CT abdomen. axial view. 15 organs annotated in this scan (a whole-scan count: organs this slice does not pass through have no box)
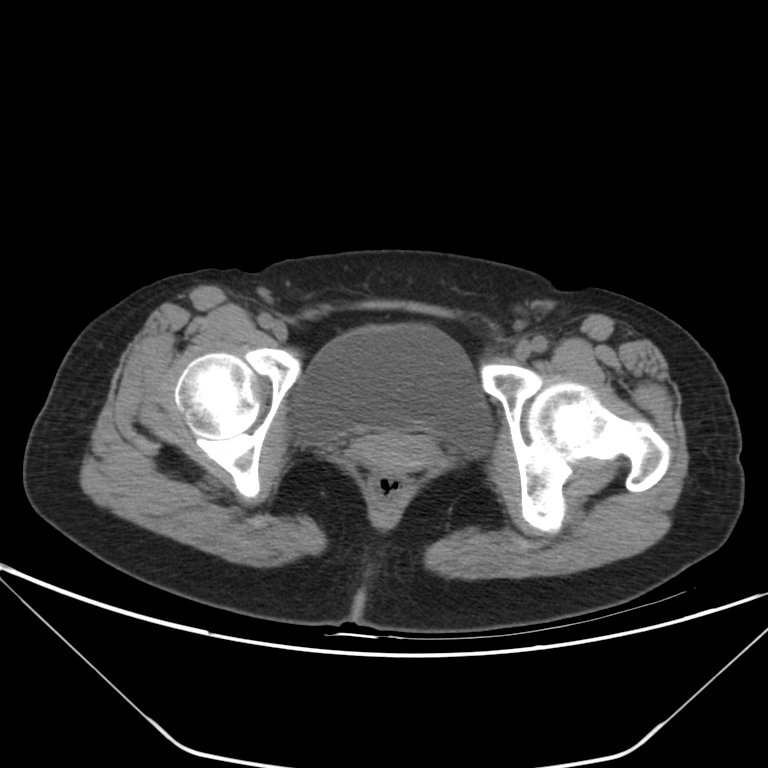

Each box given as x1,y1,x2,y2.
bladder: x1=294, y1=324, x2=492, y2=454
prostate/uterus: x1=354, y1=433, x2=437, y2=473